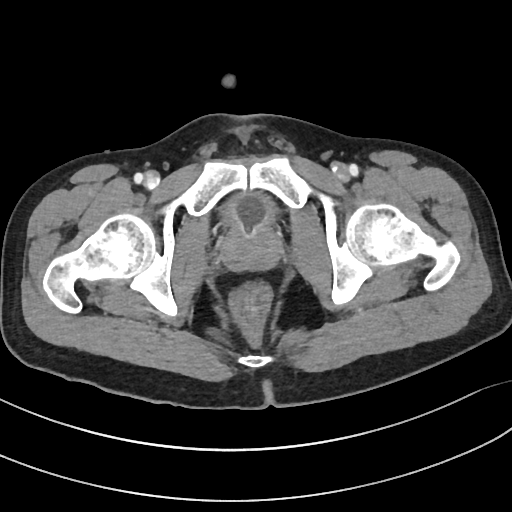
Abdominal CT — axial view — W/L 400/40 HU
Boxes: x1 y1 x2 y2 (pixel coords, space-separated).
bladder: 224 192 274 228
prostate/uterus: 222 226 281 270